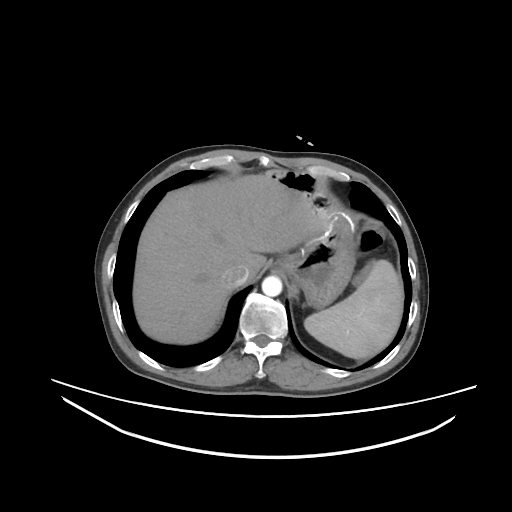

Computed tomography, abdomen · axial view · 512x512 px
{"organs":{"spleen":[304,259,403,358],"liver":[133,173,324,344],"stomach":[276,209,356,308],"aorta":[262,275,282,296],"inferior vena cava":[222,265,248,287]}}